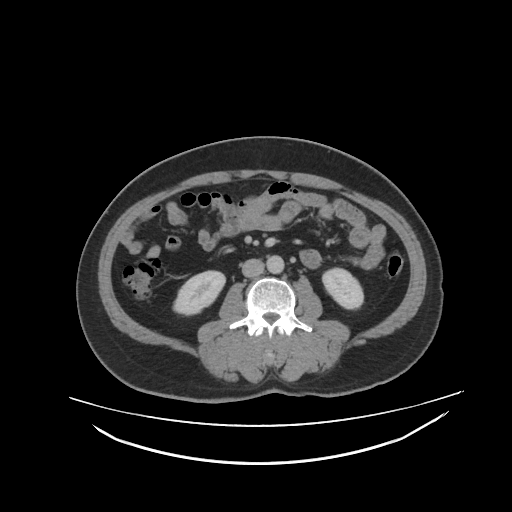

CT abdomen. axial plane, index 56. 512x512 px. acquired on Aquilion ONE
One row per box, in pixels: columns x1 and y1 give the top-left corner, x2 and y2 the bottom-right.
| organ | x1 | y1 | x2 | y2 |
|---|---|---|---|---|
| right kidney | 174 | 271 | 224 | 313 |
| aorta | 266 | 255 | 284 | 273 |
| left kidney | 322 | 268 | 363 | 309 |
| inferior vena cava | 241 | 258 | 263 | 277 |